CT abdomen. axial plane, index 164. SOMATOM Force scanner
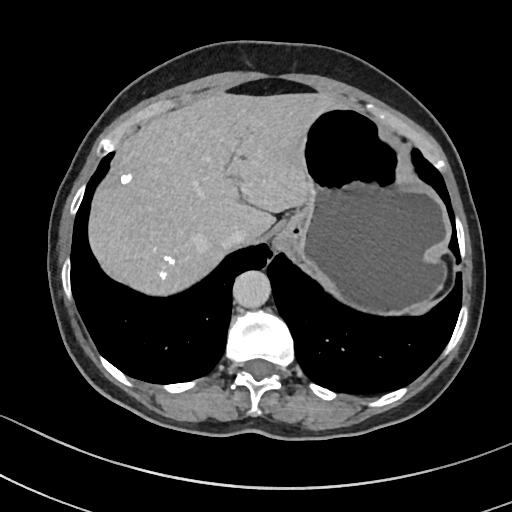 One row per box, in pixels: columns x1 and y1 give the top-left corner, x2 and y2 the bottom-right.
| organ | x1 | y1 | x2 | y2 |
|---|---|---|---|---|
| liver | 87 | 92 | 341 | 294 |
| stomach | 279 | 104 | 448 | 317 |
| aorta | 233 | 270 | 271 | 307 |
| inferior vena cava | 220 | 231 | 247 | 250 |